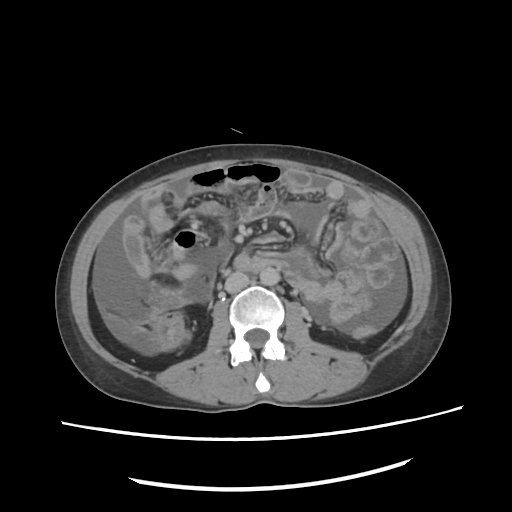

CT, abdomen/pelvis; axial view; 512x512 px; acquired on Aquilion ONE
<organs><organ name="aorta" x1="260" y1="267" x2="279" y2="285"/><organ name="inferior vena cava" x1="226" y1="271" x2="248" y2="292"/></organs>